Abdominal CT. axial view
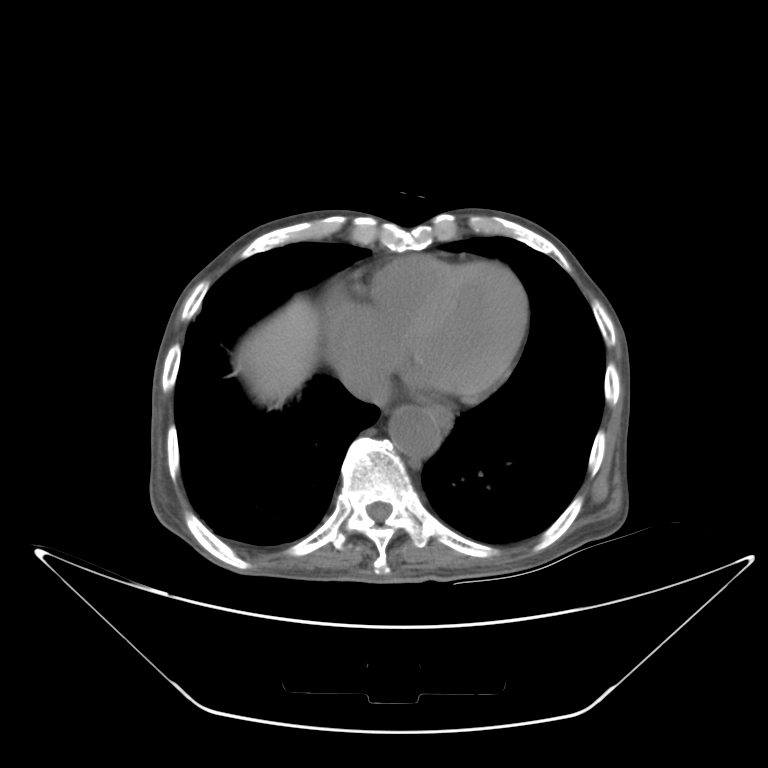 Coordinates as <box>x1,y1,x2,y2</box> in pixels.
esophagus: <box>426,403,452,427</box>
inferior vena cava: <box>341,365,391,406</box>
liver: <box>237,301,320,405</box>
aorta: <box>389,406,440,456</box>